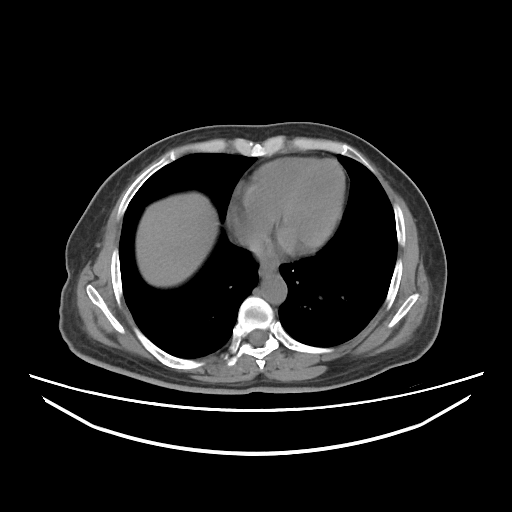

CT, abdomen/pelvis — Axial slice 93/97 — acquired on Aquilion ONE
Bounding boxes in pixels, one row per box: x1, y1 is the top-left corner and x2, y2 the bottom-right.
| organ | x1 | y1 | x2 | y2 |
|---|---|---|---|---|
| esophagus | 260 | 259 | 278 | 276 |
| liver | 136 | 192 | 218 | 287 |
| aorta | 261 | 274 | 286 | 304 |
| inferior vena cava | 240 | 232 | 261 | 248 |